CT, abdomen/pelvis — Axial slice 104/305 — soft-tissue window
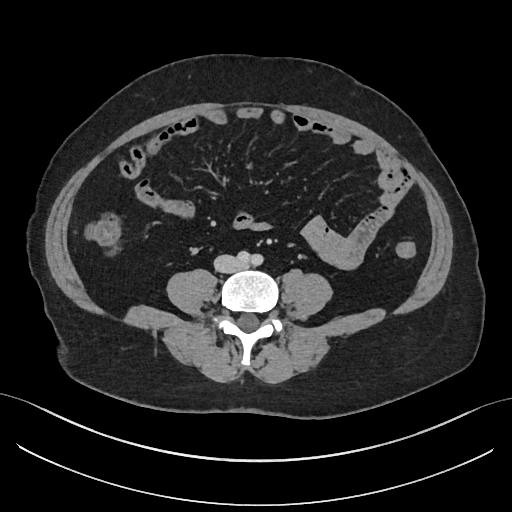 Box edges are left/top/right/bottom in pixels. 1 labeled organ on this slice — inferior vena cava at left=214, top=255, right=241, bottom=272.